Abdominal CT · axial plane, index 38 · abdomen soft-tissue window · SOMATOM Force scanner · scan has 15 labeled organs (a whole-scan count: organs this slice does not pass through have no box)
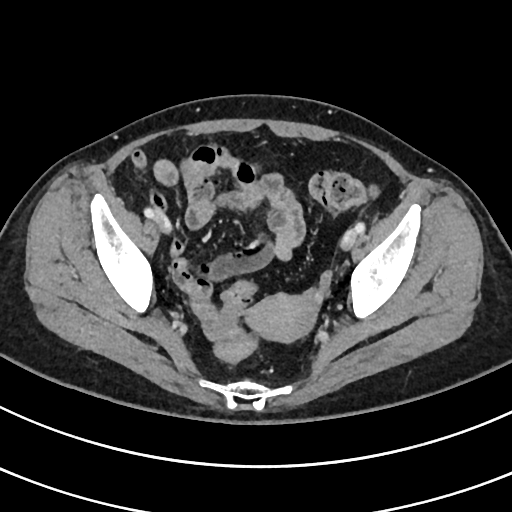 <organs><organ name="prostate/uterus" x1="246" y1="293" x2="315" y2="342"/></organs>